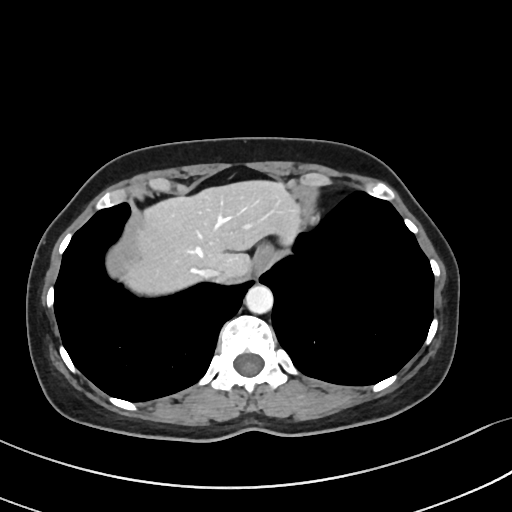 Computed tomography, abdomen; axial plane, index 162; 512x512 px; 15 organs annotated in this scan (that count is for the whole scan; organs this slice misses have no box)
<organs><organ name="esophagus" x1="250" y1="247" x2="269" y2="274"/><organ name="liver" x1="125" y1="182" x2="300" y2="292"/><organ name="aorta" x1="245" y1="285" x2="273" y2="313"/><organ name="inferior vena cava" x1="203" y1="267" x2="220" y2="277"/></organs>